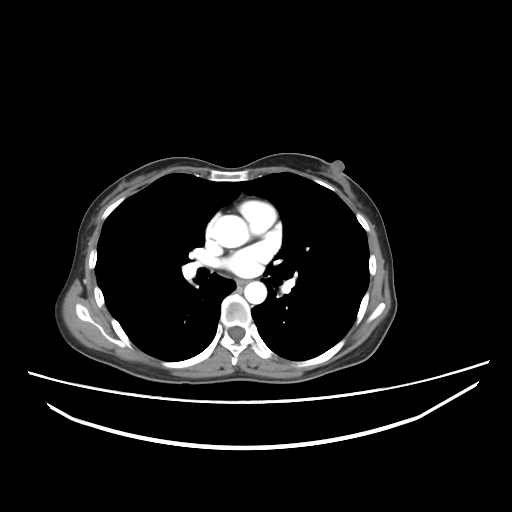

Abdominal CT reaching into the chest; this slice is in the chest; axial plane, index 86; W/L 400/40 HU
At this level of the chest this dataset labels only the esophagus and the aorta, and each is boxed only where it is labeled; the heart and lungs are never labeled.
{"organs":{"esophagus":[237,280,246,285],"aorta":[[212,215,249,247],[244,281,266,304]]}}